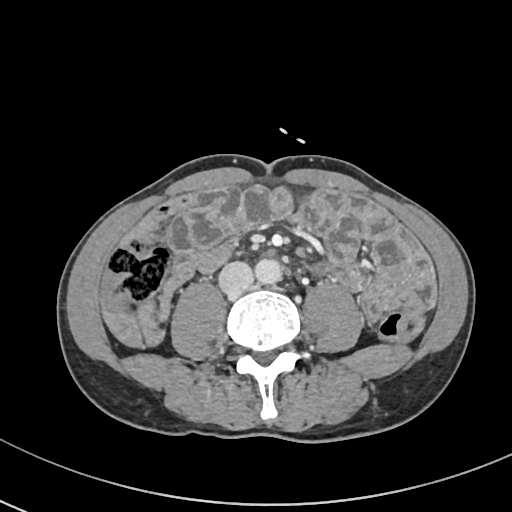 Computed tomography, abdomen; axial view; acquired on SOMATOM Force; 15 organs annotated in this scan (a whole-scan count: organs this slice does not pass through have no box)
{"organs":{"aorta":[254,259,281,284],"inferior vena cava":[218,262,253,295]}}